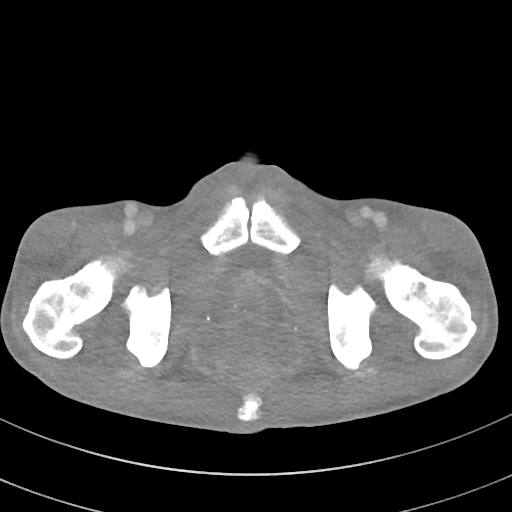
CT, abdomen/pelvis. axial view
Each box given as x1,y1,x2,y2. Labeled organs on this slice: prostate/uterus at x1=212, y1=270, x2=280, y2=322.